Computed tomography, abdomen. Axial slice 47/82. soft-tissue window (W 400 / L 40). 66-year-old male patient. Brilliance16 scanner
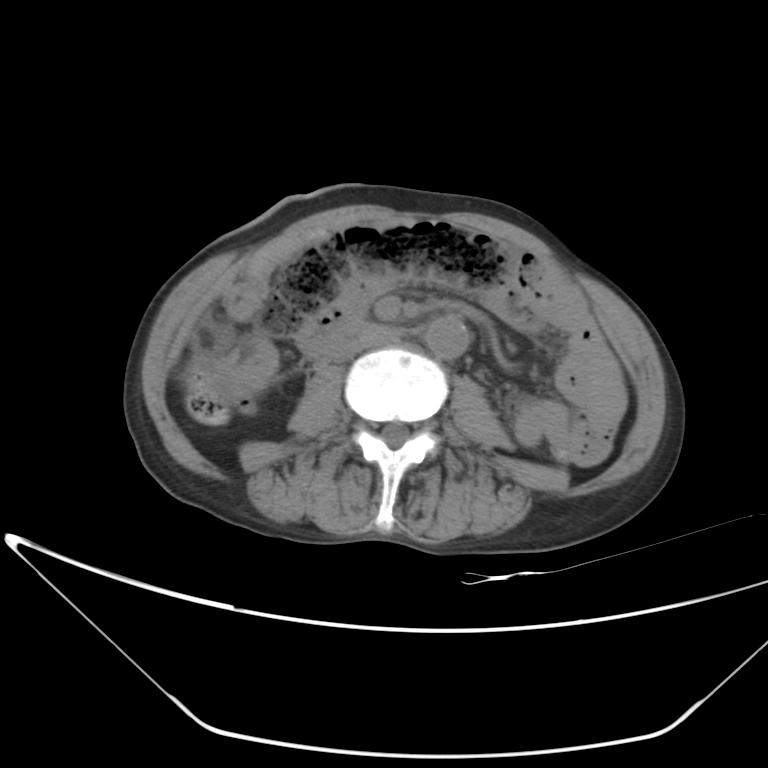

Organ boxes in pixel coordinates; each row gives the top-left (x1, y1) and bottom-right (x2, y2) corners.
| organ | x1 | y1 | x2 | y2 |
|---|---|---|---|---|
| aorta | 424 | 315 | 470 | 358 |
| inferior vena cava | 331 | 328 | 398 | 361 |
| duodenum | 308 | 321 | 381 | 356 |